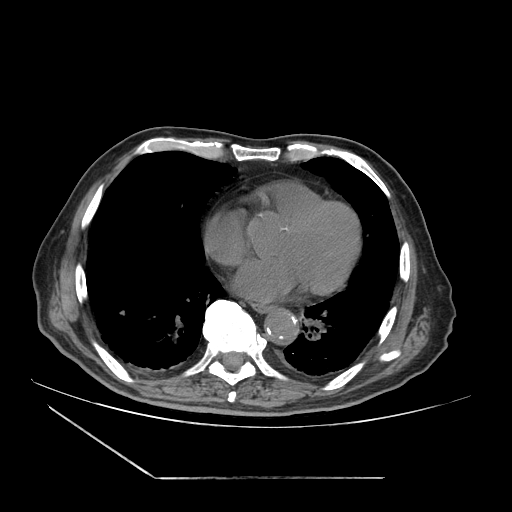
Abdominal CT; this slice is in the lower chest, just above the liver. axial view. W/L 400/40 HU. 512x512 px
The heart and lungs are never labeled in this dataset, so they have no box on this slice.
Each box given as x1,y1,x2,y2.
esophagus: x1=253, y1=304, x2=276, y2=312
aorta: x1=265, y1=310, x2=298, y2=345